Abdominal CT; axial plane, index 28; W/L 400/40 HU; 512x512 px; 40-year-old male patient
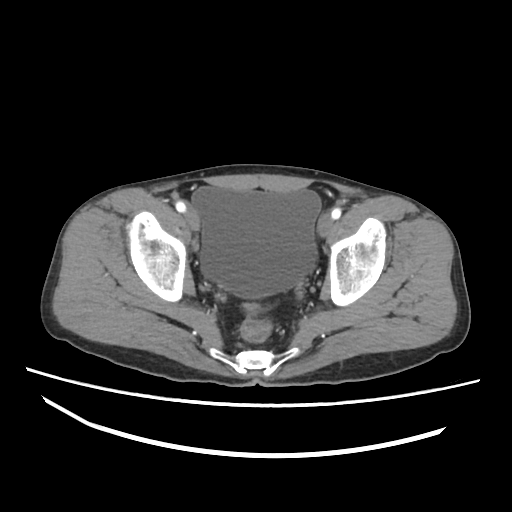

<organs><organ name="bladder" x1="192" y1="186" x2="320" y2="298"/></organs>